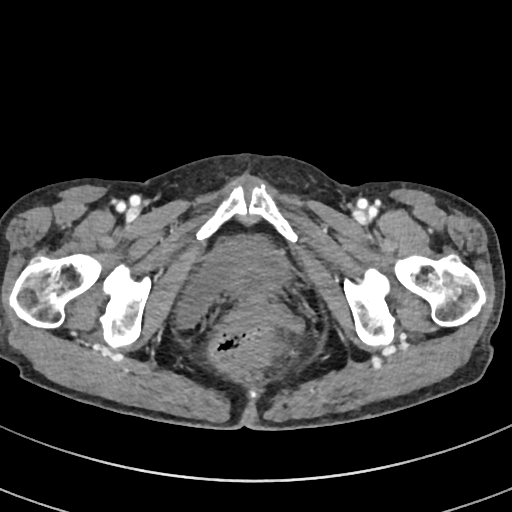

Abdominal CT — Axial slice 10/198 — acquired on SOMATOM Force — 14 organs annotated in this scan (counted over the whole 3D scan, not this slice; an organ is boxed only where this slice passes through it)
{"organs":{"bladder":[178,237,288,330]}}